CT abdomen — axial view — abdomen soft-tissue window — 512x512 px
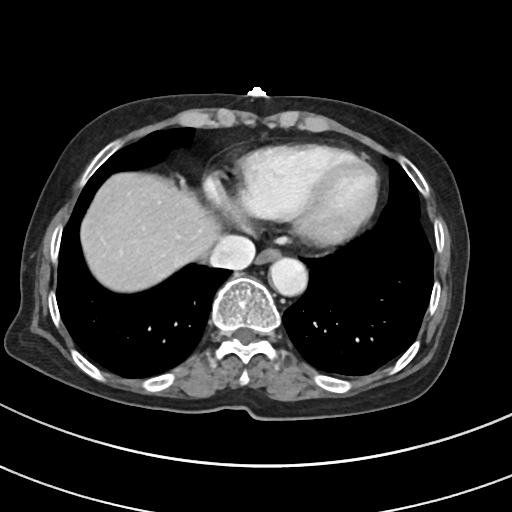
Boxes: x1 y1 x2 y2 (pixel coords, space-separated).
Organ bounding boxes:
- liver: 82 172 217 293
- inferior vena cava: 208 234 255 270
- aorta: 270 259 308 296
- esophagus: 256 250 279 264